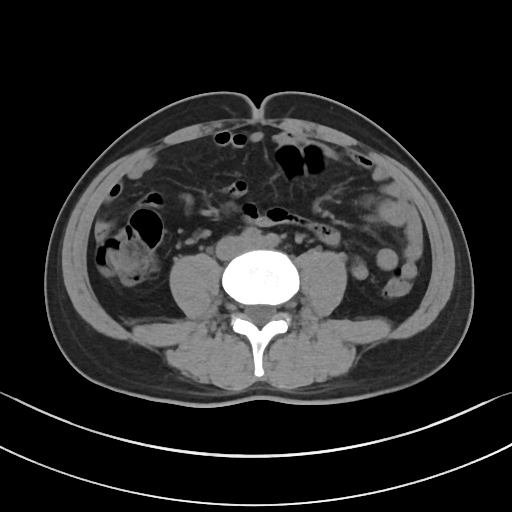 Abdominal CT — axial view — 512x512 px
Box edges are left/top/right/bottom in pixels.
Organ bounding boxes:
- inferior vena cava: left=216, top=236, right=246, bottom=259